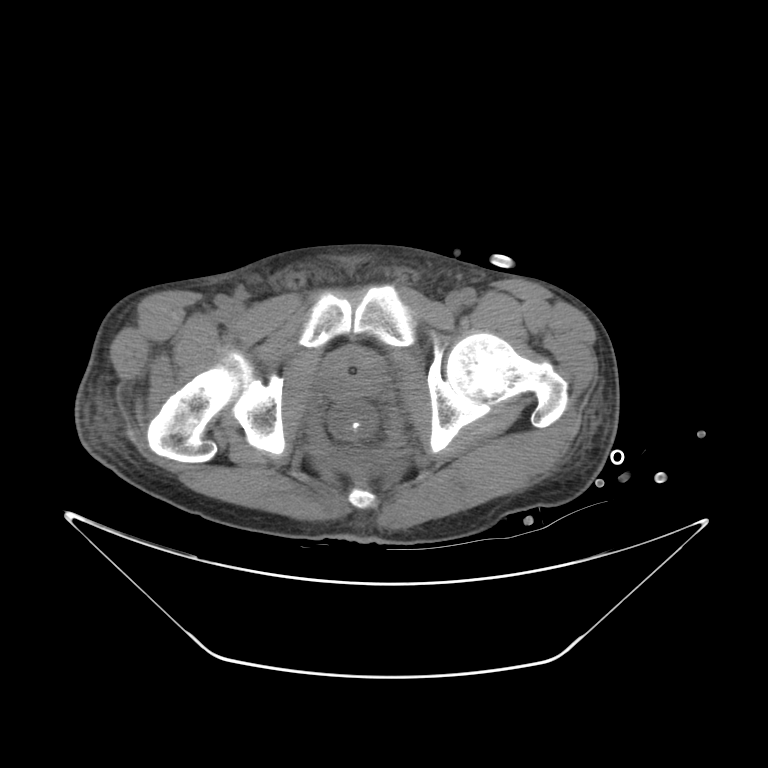
Computed tomography, abdomen · axial plane, index 11 · soft-tissue window (W 400 / L 40) · scan has 15 labeled organs (that count is for the whole scan; organs this slice misses have no box)
<organs><organ name="prostate/uterus" x1="322" y1="354" x2="383" y2="397"/></organs>